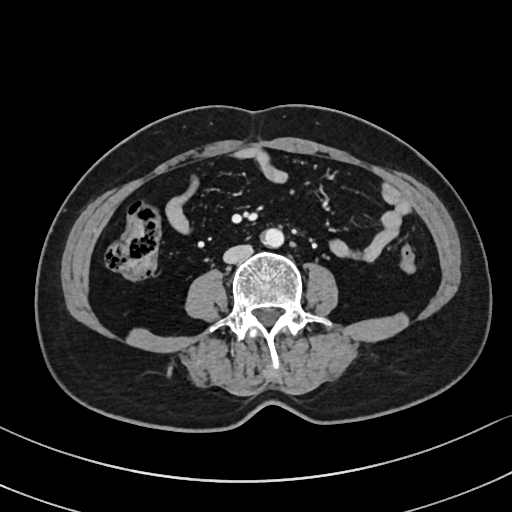
CT abdomen — axial view — abdomen soft-tissue window
One row per box, in pixels: columns x1 and y1 give the top-left corner, x2 and y2 the bottom-right.
| organ | x1 | y1 | x2 | y2 |
|---|---|---|---|---|
| aorta | 259 | 228 | 283 | 247 |
| inferior vena cava | 223 | 245 | 252 | 263 |